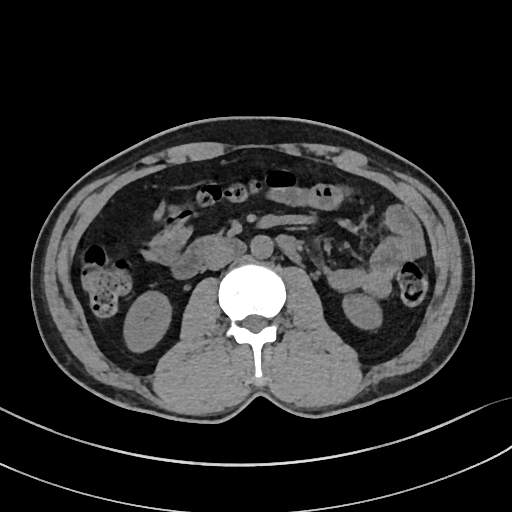
CT abdomen — axial view
Bounding boxes in pixels, one row per box: x1, y1 is the top-left corner and x2, y2 the bottom-right.
| organ | x1 | y1 | x2 | y2 |
|---|---|---|---|---|
| inferior vena cava | 205 | 245 | 236 | 270 |
| aorta | 250 | 235 | 272 | 258 |
| duodenum | 172 | 235 | 299 | 278 |
| left kidney | 343 | 295 | 381 | 329 |
| right kidney | 124 | 291 | 170 | 351 |